CT, abdomen/pelvis — axial view — SOMATOM Force scanner — 15 organs annotated in this scan (that count is for the whole scan; organs this slice misses have no box)
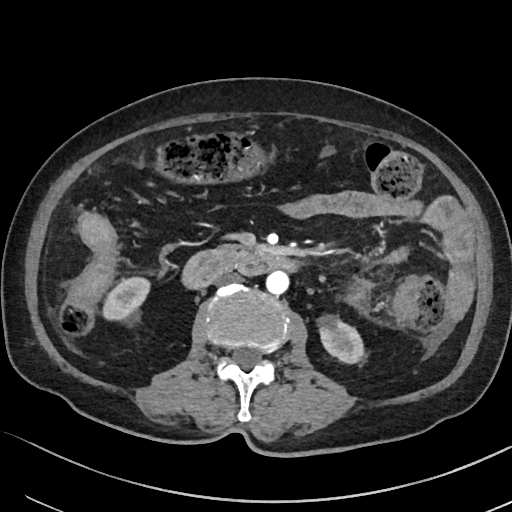

{"organs":{"inferior vena cava":[215,273,243,286],"aorta":[265,272,288,295],"right kidney":[103,277,148,319],"duodenum":[179,250,302,289],"pancreas":[195,244,245,258],"left kidney":[318,311,363,362]}}